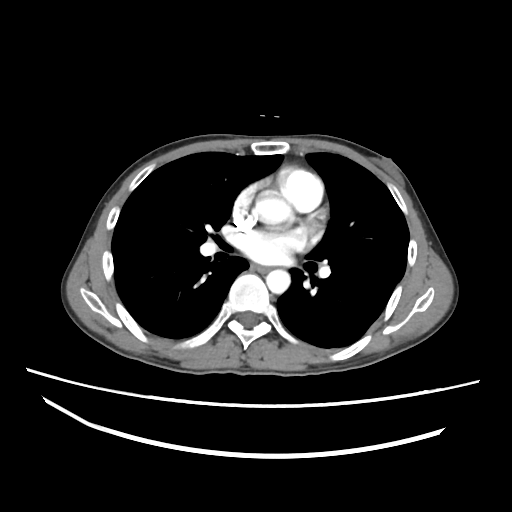 Chest-level slice from an abdominal CT that extends up into the chest · axial view · 512x512 px · Aquilion ONE scanner
At this level of the chest no structure but the esophagus and the aorta has a label in this dataset, and those two are boxed only where they are labeled. Boxes are (x1, y1, x2, y2) in pixels. 2 labeled organs on this slice — esophagus at (250, 264, 269, 272); aorta at (256, 198, 290, 224); aorta at (266, 269, 290, 293).